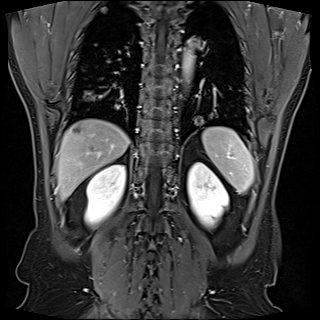

Magnetic resonance imaging, abdomen; coronal plane, index 11
Box edges are left/top/right/bottom in pixels. 5 labeled organs on this slice — spleen at left=202, top=126, right=253, bottom=193; right kidney at left=85, top=164, right=125, bottom=224; left kidney at left=187, top=163, right=229, bottom=226; liver at left=57, top=119, right=129, bottom=199; aorta at left=182, top=50, right=194, bottom=78.